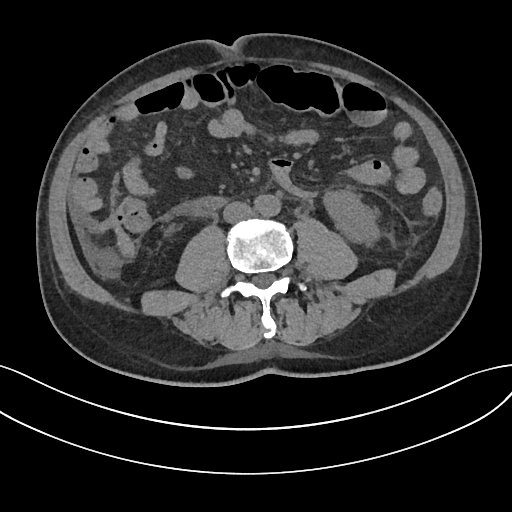
Abdominal CT; axial view; SOMATOM Force scanner
<organs><organ name="left kidney" x1="325" y1="189" x2="378" y2="241"/><organ name="liver" x1="110" y1="172" x2="135" y2="259"/><organ name="aorta" x1="253" y1="194" x2="280" y2="216"/><organ name="inferior vena cava" x1="223" y1="202" x2="254" y2="223"/><organ name="duodenum" x1="194" y1="198" x2="223" y2="215"/></organs>